Computed tomography, abdomen — axial plane, index 125 — soft-tissue window (W 400 / L 40) — 15 organs annotated in this scan (that count is for the whole scan; organs this slice misses have no box)
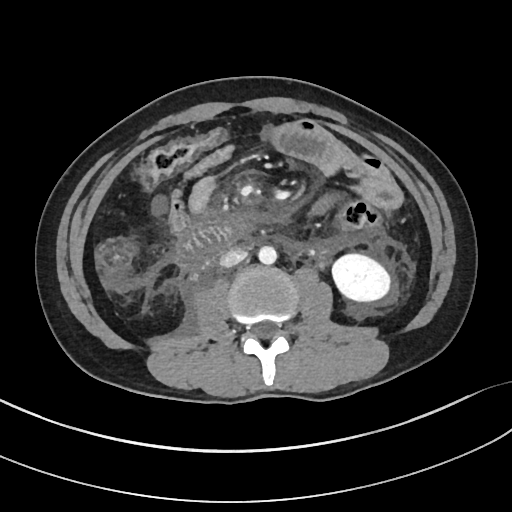
{"organs":{"left kidney":[331,252,391,302],"duodenum":[179,221,246,257],"aorta":[258,246,277,265],"inferior vena cava":[219,249,247,267]}}